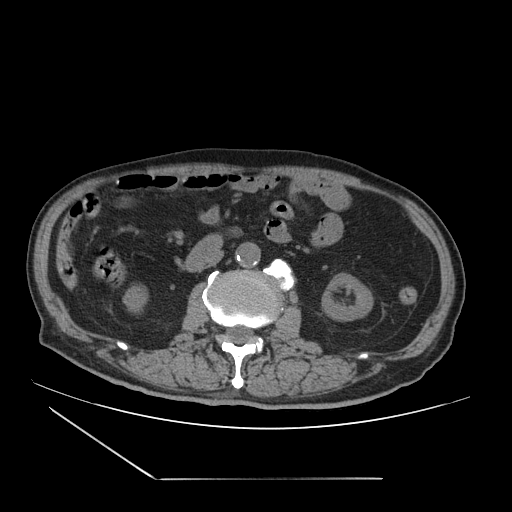 Abdominal CT — axial plane, index 110
Each box given as x1,y1,x2,y2. 5 labeled organs on this slice — right kidney at x1=122, y1=285, x2=146, y2=312; left kidney at x1=321, y1=273, x2=373, y2=321; aorta at x1=236, y1=242, x2=260, y2=267; inferior vena cava at x1=204, y1=251, x2=223, y2=267; duodenum at x1=185, y1=236, x2=221, y2=270.